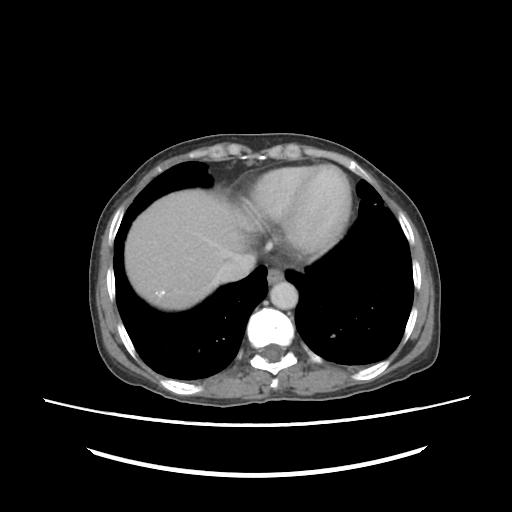 CT, abdomen/pelvis. Axial slice 87/92. 60-year-old female patient. Aquilion ONE scanner
{"organs":{"esophagus":[266,267,284,283],"liver":[124,188,250,310],"aorta":[270,280,298,310],"inferior vena cava":[214,254,256,283]}}